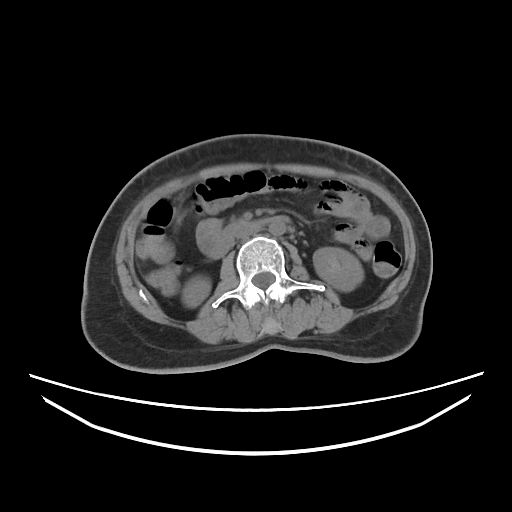 CT, abdomen/pelvis; axial view; soft-tissue window (W 400 / L 40); 49-year-old female patient; scan has 15 labeled organs (a whole-scan count: organs this slice does not pass through have no box)
Coordinates as <box>x1,y1,x2,y2</box> in pixels. The annotated organs in this slice are: right kidney at <box>182,275,211,307</box>, left kidney at <box>313,247,363,291</box>, aorta at <box>269,221,285,235</box>, inferior vena cava at <box>235,225,260,238</box>, duodenum at <box>218,215,289,246</box>.